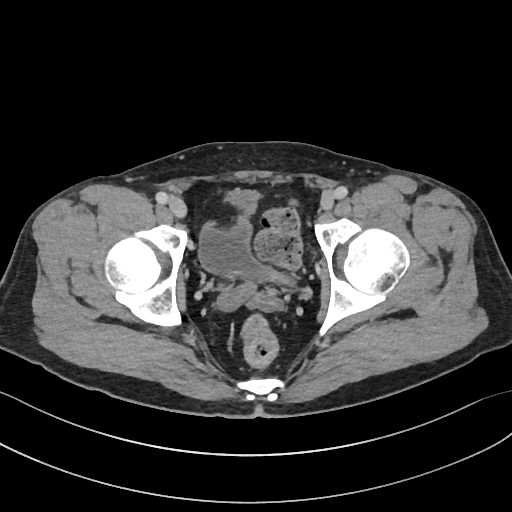
Abdominal CT; axial plane, index 40
{"organs":{"bladder":[198,188,296,286]}}